Abdominal MRI; axial view; 1st–99th percentile window; 576x468 px; acquired on Prisma; scan has 13 labeled organs (counted over the whole 3D scan, not this slice; an organ is boxed only where this slice passes through it)
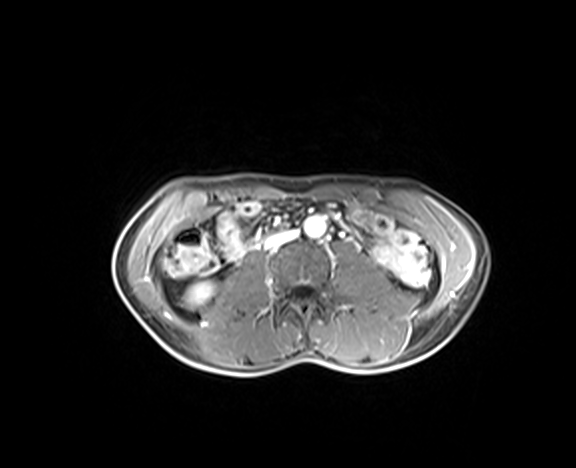
Coordinates as <box>x1,y1,x2,y2</box> in pixels.
Organ bounding boxes:
- inferior vena cava: <box>265,230,297,248</box>
- right kidney: <box>187,281,213,306</box>
- aorta: <box>304,216,326,237</box>